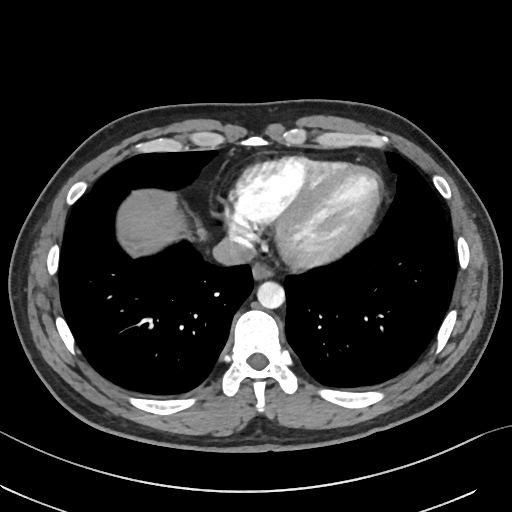

CT abdomen; axial plane, index 204
<organs><organ name="esophagus" x1="252" y1="263" x2="273" y2="278"/><organ name="liver" x1="122" y1="199" x2="181" y2="244"/><organ name="aorta" x1="256" y1="280" x2="284" y2="307"/><organ name="inferior vena cava" x1="215" y1="235" x2="255" y2="265"/></organs>